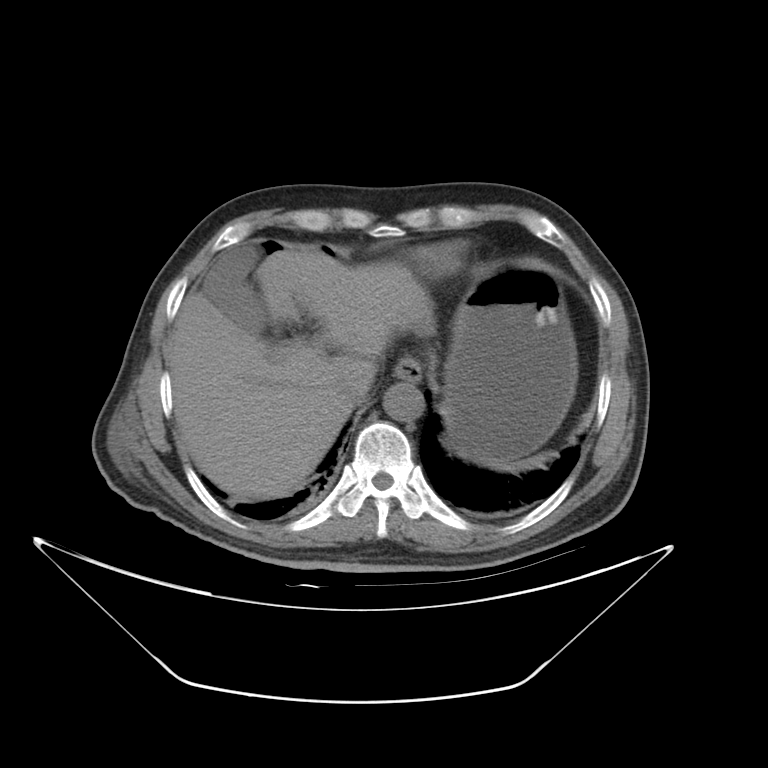 Abdominal CT; axial view; 768x768 px; 66-year-old male patient
Boxes: x1:y1:x2:y2 in pixels.
spleen: 479:448:558:473
gall bladder: 200:250:269:332
esophagus: 397:361:420:384
liver: 170:250:434:500
stomach: 444:259:579:459
aorta: 384:384:425:420
inferior vena cava: 337:386:369:407